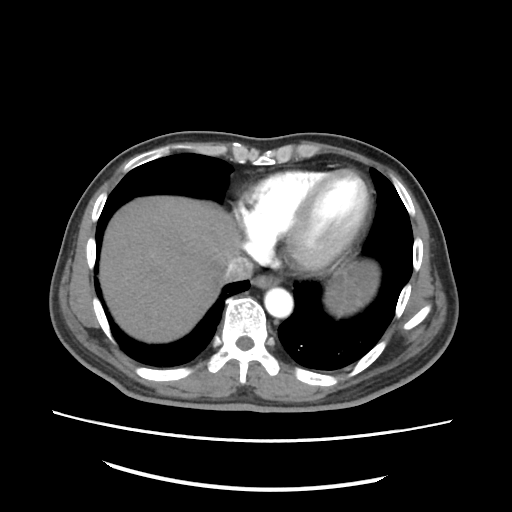
Computed tomography, abdomen; axial view; soft-tissue window; 512x512 px; 54-year-old male patient
Boxes: x1:y1:x2:y2 in pixels. The annotated organs in this slice are: esophagus at 251:275:279:289, liver at 99:196:236:343, stomach at 324:259:379:317, aorta at 264:288:293:319, inferior vena cava at 221:259:252:280.